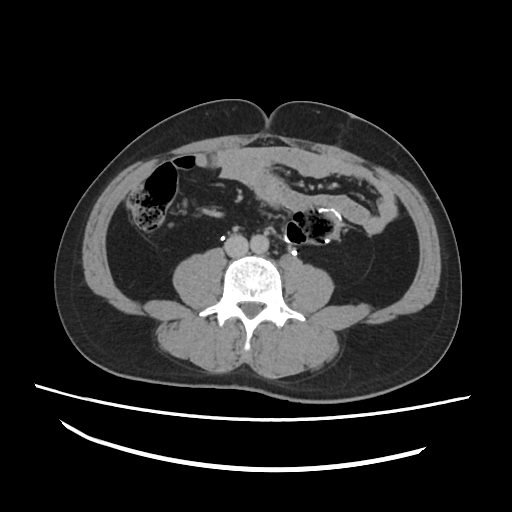
Computed tomography, abdomen. axial plane, index 49
Bounding boxes as [x1, y1, x2, y2] in pixel coordinates. The annotated organs in this slice are: aorta at [250, 236, 269, 252], inferior vena cava at [224, 234, 248, 256].